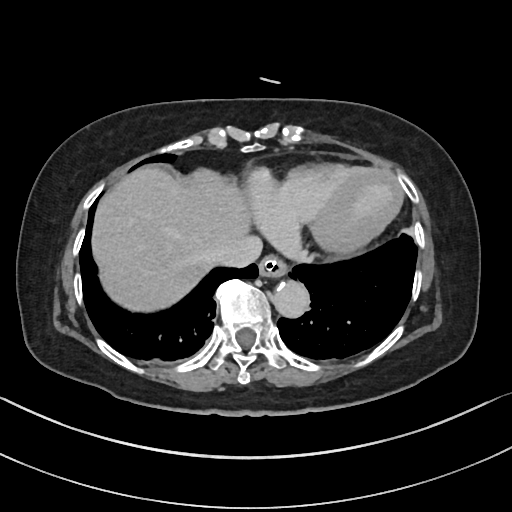
CT, abdomen/pelvis; axial view; acquired on SOMATOM Force
Each box given as x1,y1,x2,y2.
Organ bounding boxes:
- liver: x1=92, y1=167, x2=249, y2=310
- esophagus: x1=258, y1=257, x2=287, y2=278
- aorta: x1=273, y1=281, x2=309, y2=318
- inferior vena cava: x1=214, y1=233, x2=262, y2=267